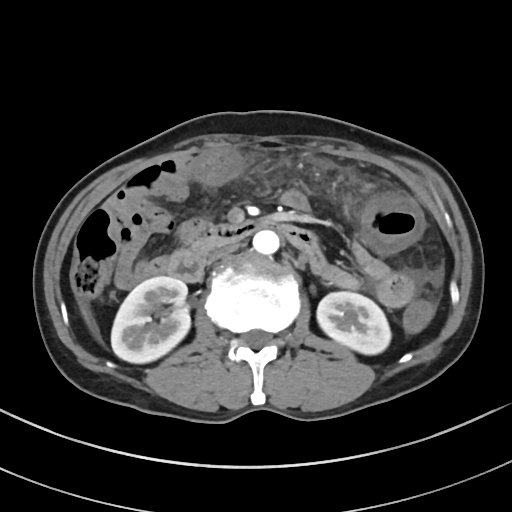 CT abdomen · axial view · soft-tissue window · 15 organs annotated in this scan (a whole-scan count: organs this slice does not pass through have no box)
Each box given as x1,y1,x2,y2.
Organ bounding boxes:
- left kidney: x1=317, y1=291, x2=391, y2=354
- aorta: x1=253, y1=230, x2=279, y2=254
- right kidney: x1=111, y1=276, x2=190, y2=363
- inferior vena cava: x1=208, y1=243, x2=238, y2=263
- duodenum: x1=165, y1=221, x2=319, y2=282
- liver: x1=82, y1=308, x2=92, y2=328